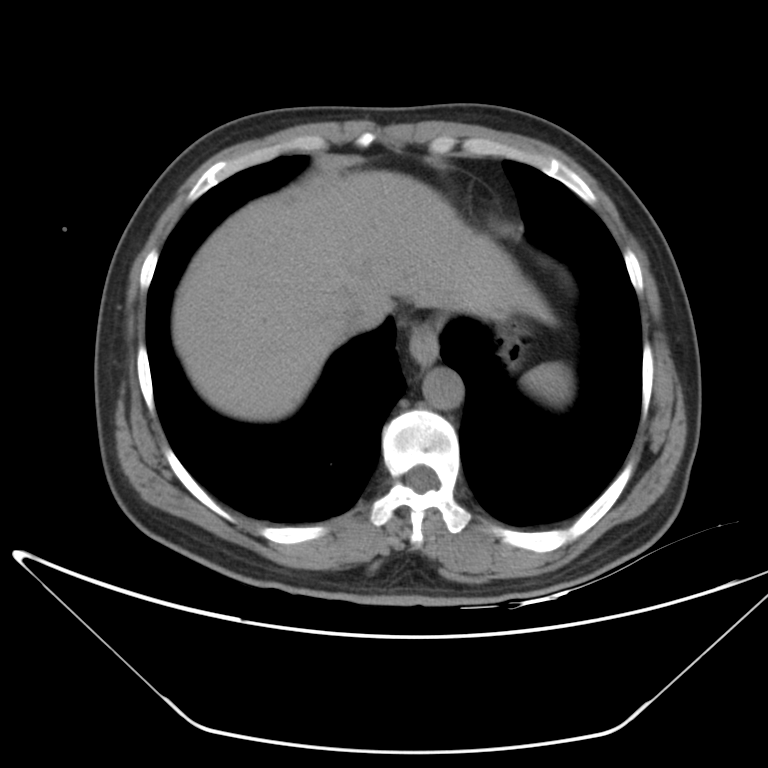 CT abdomen — Axial slice 74/84 — W/L 400/40 HU — 768x768 px — 42-year-old male patient — 15 organs annotated in this scan (counted over the whole 3D scan, not this slice; an organ is boxed only where this slice passes through it)
Boxes are (x1, y1, x2, y2) in pixels.
Organ bounding boxes:
- spleen: (522, 362, 571, 404)
- stomach: (492, 313, 530, 365)
- esophagus: (408, 325, 438, 370)
- liver: (172, 171, 552, 420)
- inferior vena cava: (341, 297, 373, 333)
- aorta: (423, 368, 463, 410)